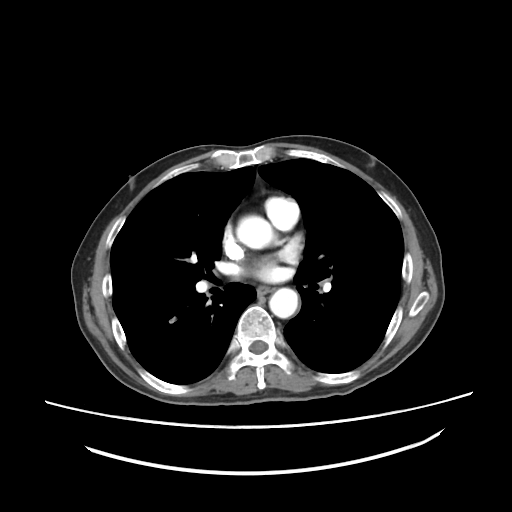

Chest-level slice from an abdominal CT that extends up into the chest; axial plane, index 100; scan has 15 labeled organs (counted over the whole 3D scan, not this slice; an organ is boxed only where this slice passes through it)
On a slice this high in the chest, this dataset labels only the esophagus and the aorta, and each is boxed only where it is labeled; the heart, lungs and other chest structures are not labeled.
Boxes: x1 y1 x2 y2 (pixel coords, space-separated).
Organ bounding boxes:
- esophagus: 258 286 274 293
- aorta: 237 217 272 248
- aorta: 269 288 298 318